Abdominal CT. axial view. 512x512 px
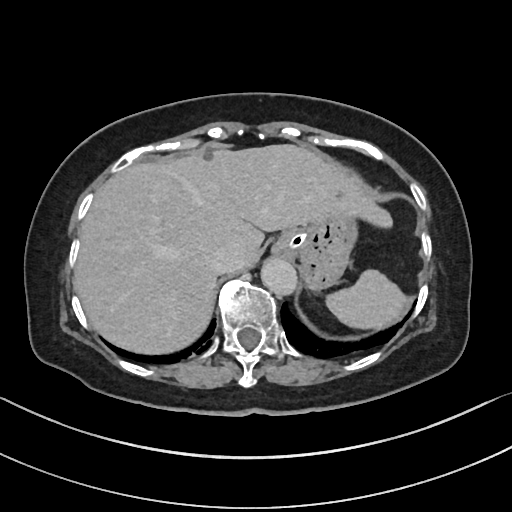
Box edges are left/top/right/bottom in pixels. 5 labeled organs on this slice — spleen at left=327, top=270, right=404, bottom=329; liver at left=73, top=144, right=393, bottom=355; stomach at left=274, top=211, right=355, bottom=289; aorta at left=260, top=256, right=295, bottom=292; inferior vena cava at left=210, top=244, right=239, bottom=272.